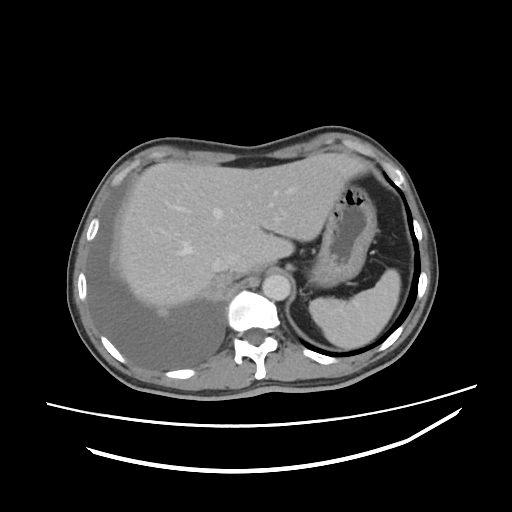

Abdominal CT · axial view · soft-tissue window (W 400 / L 40) · 512x512 px
Bounding boxes in pixels, one row per box: x1, y1 is the top-left corner and x2, y2 the bottom-right.
| organ | x1 | y1 | x2 | y2 |
|---|---|---|---|---|
| spleen | 309 | 269 | 400 | 348 |
| liver | 118 | 153 | 367 | 308 |
| stomach | 309 | 183 | 376 | 287 |
| aorta | 262 | 274 | 290 | 300 |
| inferior vena cava | 209 | 256 | 237 | 270 |